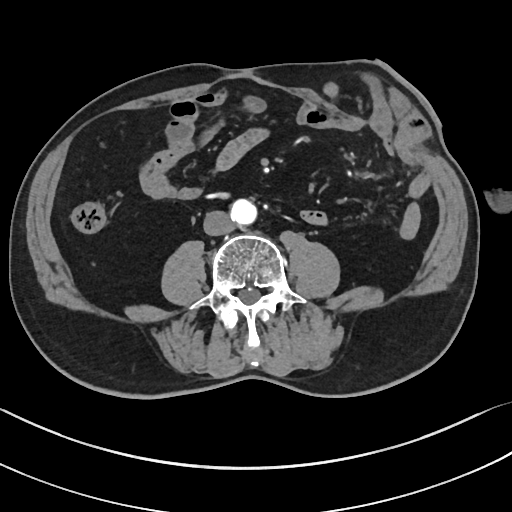

CT abdomen. axial view. abdomen soft-tissue window
Coordinates as <box>x1,y1,x2,y2</box> in pixels.
Organ bounding boxes:
- aorta: <box>230,199,256,224</box>
- inferior vena cava: <box>203,210,234,235</box>